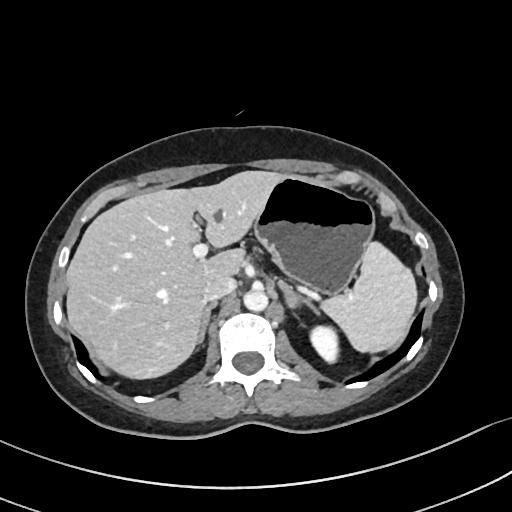
CT abdomen — Axial slice 147/175 — abdomen soft-tissue window — 512x512 px — SOMATOM Force scanner
Organ boxes in pixel coordinates; each row gives the top-left (x1, y1) and bottom-right (x2, y2) corners.
| organ | x1 | y1 | x2 | y2 |
|---|---|---|---|---|
| spleen | 322 | 241 | 417 | 352 |
| left kidney | 310 | 325 | 339 | 363 |
| liver | 66 | 171 | 285 | 379 |
| stomach | 253 | 175 | 374 | 294 |
| aorta | 244 | 289 | 267 | 311 |
| inferior vena cava | 201 | 275 | 236 | 301 |
| right adrenal gland | 198 | 302 | 216 | 344 |
| left adrenal gland | 279 | 280 | 319 | 314 |